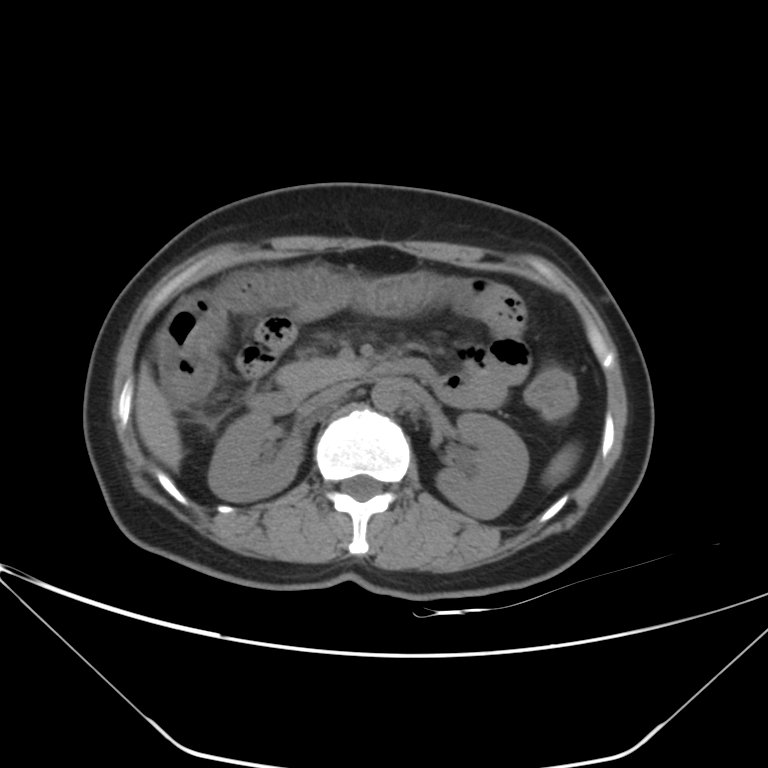

CT, abdomen/pelvis; Axial slice 57/90; 768x768 px; Brilliance16 scanner
Coordinates as <box>x1,y1,x2,y2</box> in pixels. The annotated organs in this slice are: duodenum at <box>249,357,435,414</box>, right kidney at <box>208,412,303,501</box>, aorta at <box>371,379,402,411</box>, liver at <box>135,362,182,470</box>, spleen at <box>546,454,571,479</box>, inferior vena cava at <box>305,381,355,410</box>, pancreas at <box>275,359,358,396</box>, left kidney at <box>436,412,528,518</box>.